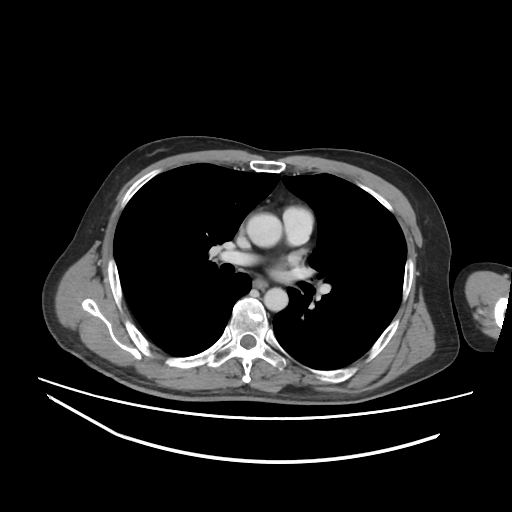
Chest-level CT slice, above the liver and spleen; axial plane, index 99; 512x512 px
On a slice this high in the chest, this dataset labels only the esophagus and the aorta, and each is boxed only where it is labeled; the heart, lungs and other chest structures are not labeled.
Boxes: x1:y1:x2:y2 in pixels.
esophagus: 253:280:267:289
aorta: 246:213:282:247
aorta: 263:287:288:311